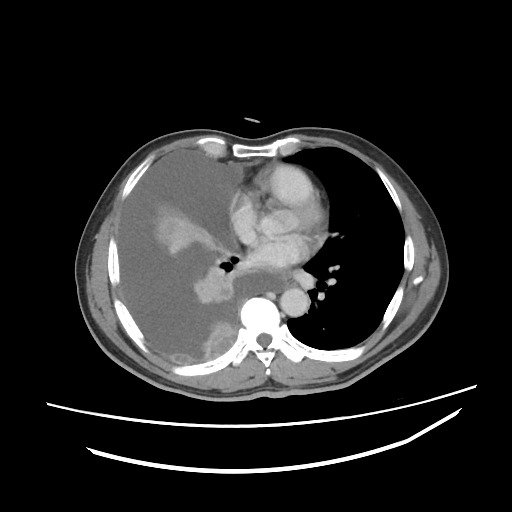
CT of the abdomen extending into the chest, slice through the chest · axial view
At this level of the chest no structure but the esophagus and the aorta has a label in this dataset, and those two are boxed only where they are labeled.
Each box given as x1,y1,x2,y2.
esophagus: x1=286, y1=278, x2=295, y2=287
aorta: x1=280, y1=288, x2=309, y2=316